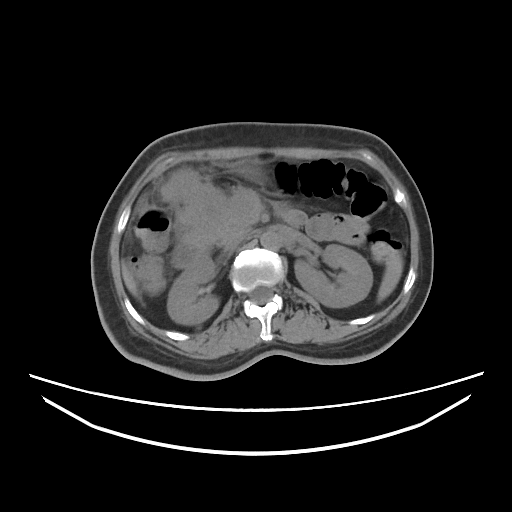

CT, abdomen/pelvis; axial view; 49-year-old female patient
<organs><organ name="spleen" x1="377" y1="253" x2="403" y2="301"/><organ name="right kidney" x1="167" y1="257" x2="218" y2="324"/><organ name="left kidney" x1="294" y1="244" x2="372" y2="307"/><organ name="liver" x1="123" y1="269" x2="137" y2="296"/><organ name="stomach" x1="161" y1="170" x2="259" y2="249"/><organ name="aorta" x1="260" y1="231" x2="280" y2="249"/><organ name="inferior vena cava" x1="223" y1="231" x2="250" y2="250"/><organ name="pancreas" x1="217" y1="203" x2="306" y2="240"/><organ name="duodenum" x1="172" y1="245" x2="206" y2="268"/></organs>